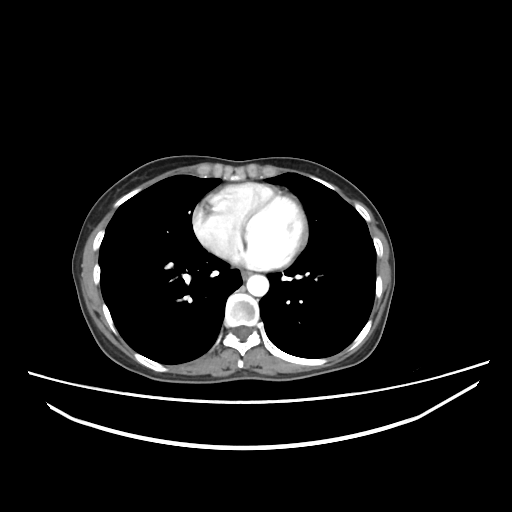
Lower-chest slice from an abdominal CT, just above the liver and spleen; axial plane, index 77; 512x512 px; 43-year-old female patient
Of the structures in the chest, this dataset labels only the esophagus, the aorta and the inferior vena cava; the heart and lungs have no label.
<organs><organ name="esophagus" x1="241" y1="270" x2="251" y2="279"/><organ name="aorta" x1="246" y1="274" x2="268" y2="296"/></organs>